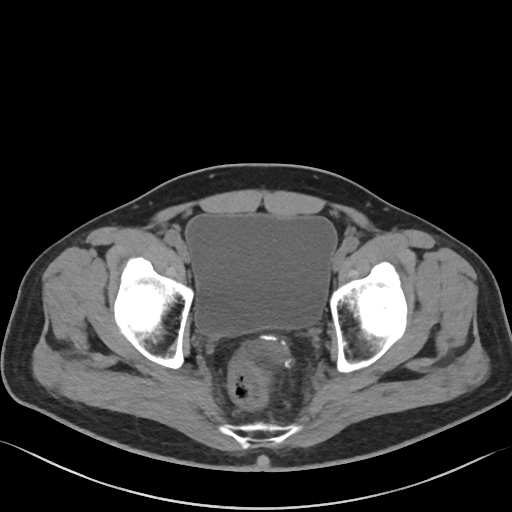 CT abdomen · Axial slice 21/101 · 512x512 px
Box edges are left/top/right/bottom in pixels.
Organ bounding boxes:
- bladder: left=186, top=214, right=336, bottom=335